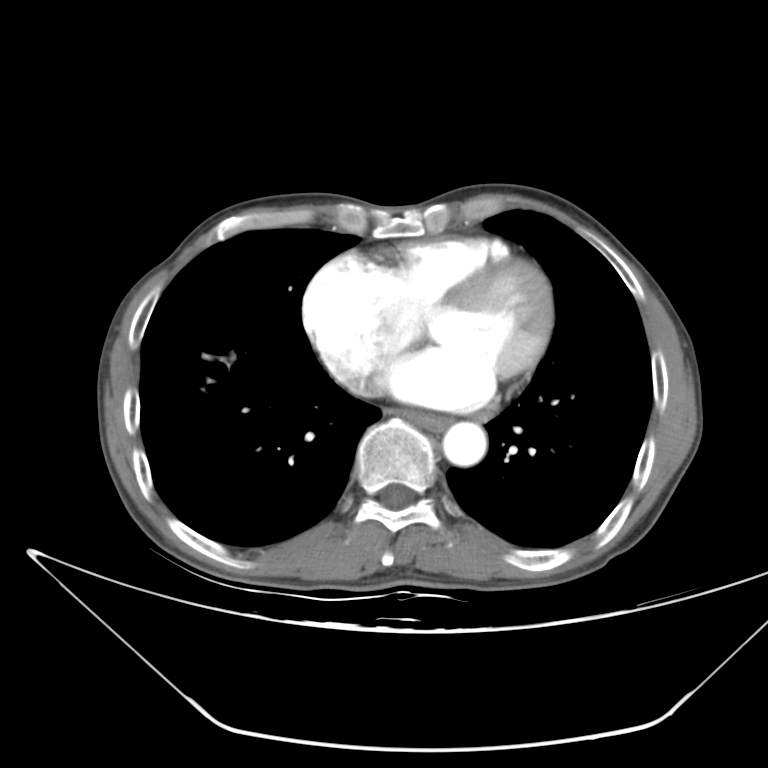 Lower-chest slice from an abdominal CT, just above the liver and spleen; axial view; soft-tissue window; 768x768 px
Of the structures in the chest, this dataset labels only the esophagus, the aorta and the inferior vena cava; the heart and lungs have no label.
<organs><organ name="esophagus" x1="390" y1="409" x2="448" y2="430"/><organ name="aorta" x1="442" y1="422" x2="486" y2="466"/></organs>